Abdominal CT. axial view. 66-year-old female patient. Brilliance16 scanner
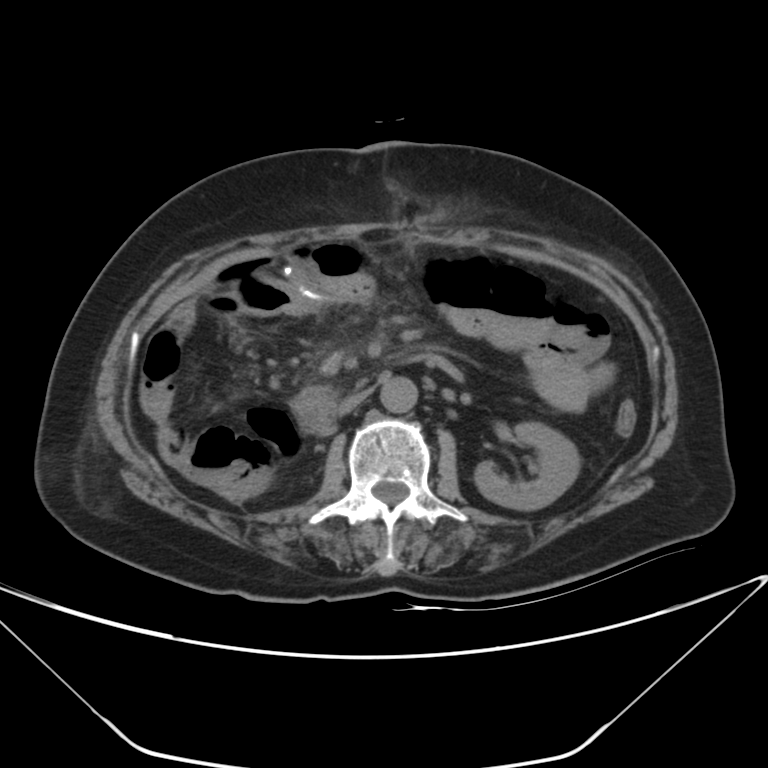

Each box given as x1,y1,x2,y2. The annotated organs in this slice are: left kidney at x1=474, y1=422, x2=579, y2=510, aorta at x1=380, y1=377, x2=417, y2=413, inferior vena cava at x1=337, y1=392, x2=366, y2=415, duodenum at x1=292, y1=351, x2=462, y2=432.